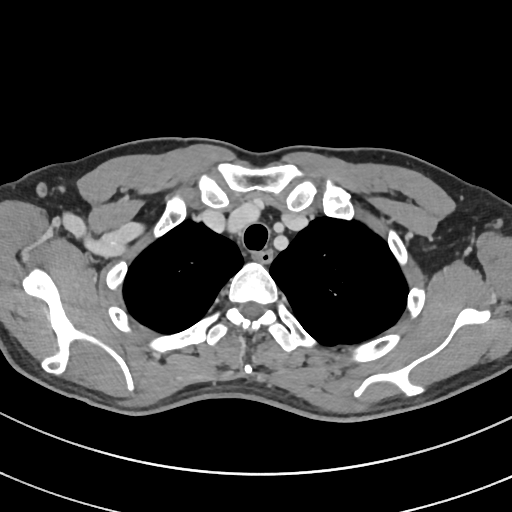 Chest-level CT slice, above the liver and spleen — Axial slice 270/298 — 512x512 px
On a slice this high in the chest, this dataset labels only the esophagus and the aorta, and each is boxed only where it is labeled; the heart, lungs and other chest structures are not labeled.
Boxes: x1 y1 x2 y2 (pixel coords, space-separated).
esophagus: 255 250 273 263